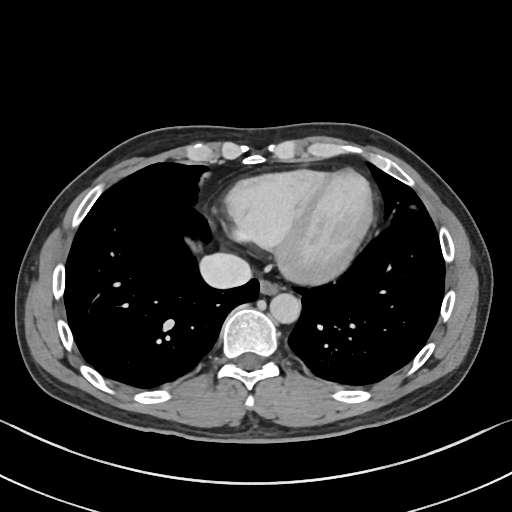
Abdominal CT; this slice is in the lower chest, just above the liver. axial view. 512x512 px
The heart and lungs are never labeled in this dataset, so they have no box on this slice.
Boxes: x1 y1 x2 y2 (pixel coords, space-separated).
esophagus: 259 279 279 294
aorta: 270 292 299 322
inferior vena cava: 198 253 252 288